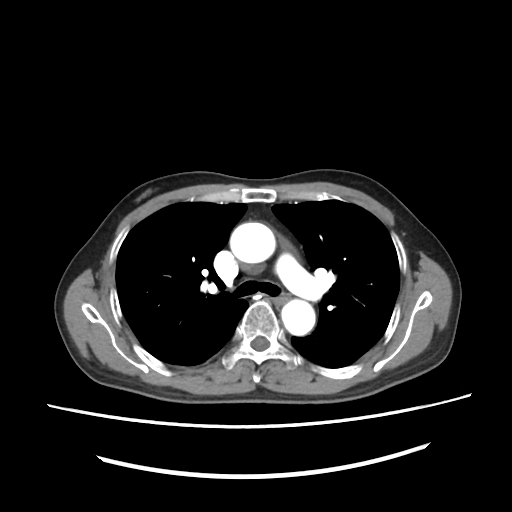
Chest-level CT slice, above the liver and spleen. axial plane, index 109. 512x512 px
At this level of the chest this dataset labels only the esophagus and the aorta, and each is boxed only where it is labeled; the heart and lungs are never labeled.
Box edges are left/top/right/bottom in pixels.
esophagus: left=270, top=296, right=287, bottom=305
aorta: left=229, top=223, right=276, bottom=265
aorta: left=280, top=299, right=315, bottom=337